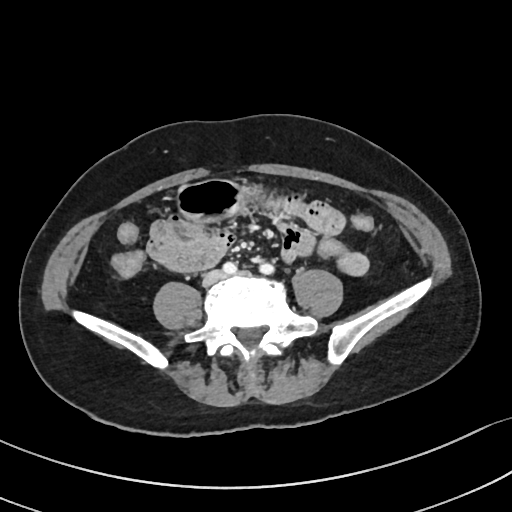

Computed tomography, abdomen. axial view. abdomen soft-tissue window
Coordinates as <box>x1,y1,x2,y2</box> in pixels. Labeled organs on this slice: stomach at <box>175,180,256,222</box>.